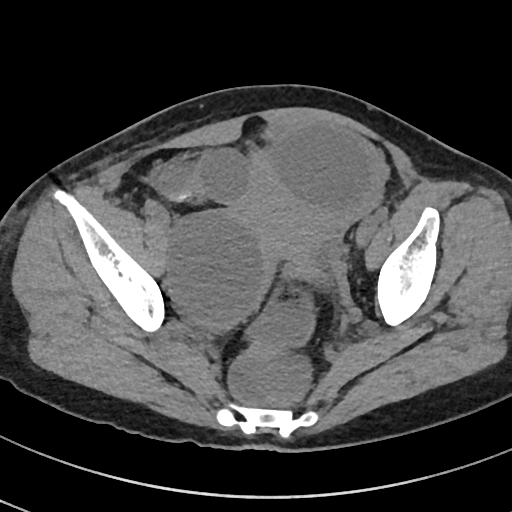

CT, abdomen/pelvis; axial view; 512x512 px
Each box given as x1,y1,x2,y2.
prostate/uterus: x1=247, y1=182, x2=321, y2=260